Abdominal CT · Axial slice 67/244 · W/L 400/40 HU · 512x512 px
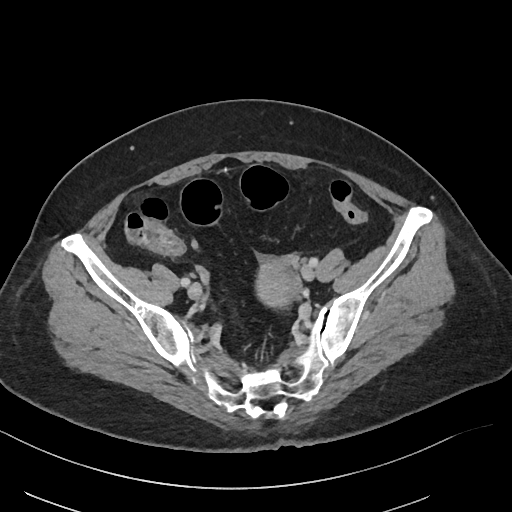 {"organs":{"prostate/uterus":[256,260,301,306]}}